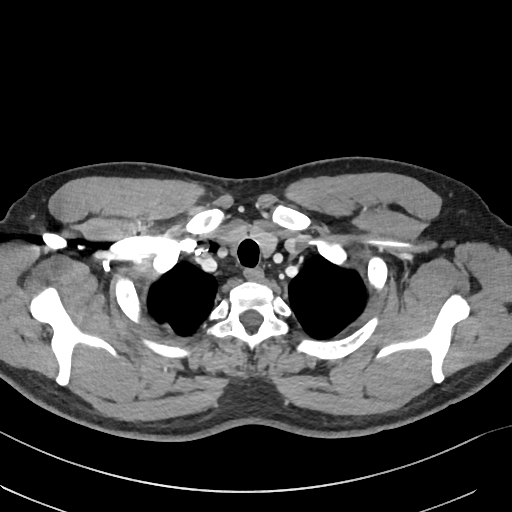 CT of the abdomen extending into the chest, slice through the chest; axial plane, index 295; W/L 400/40 HU; 512x512 px; SOMATOM Force scanner
At this level of the chest this dataset labels only the esophagus and the aorta, and each is boxed only where it is labeled; the heart and lungs are never labeled.
{"organs":{"esophagus":[242,269,263,280]}}